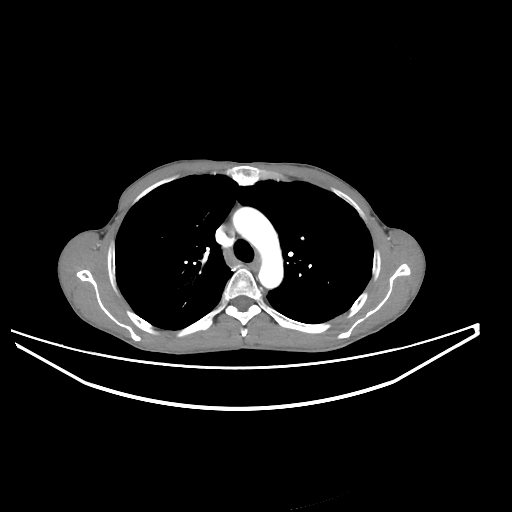

Abdominal CT reaching into the chest; this slice is in the chest — axial view — soft-tissue window, W/L 400/40 — 60-year-old male patient — scan has 15 labeled organs (counted over the whole 3D scan, not this slice; an organ is boxed only where this slice passes through it)
At this level of the chest no structure but the esophagus and the aorta has a label in this dataset, and those two are boxed only where they are labeled.
<organs><organ name="esophagus" x1="252" y1="261" x2="259" y2="271"/><organ name="aorta" x1="232" y1="207" x2="283" y2="288"/></organs>